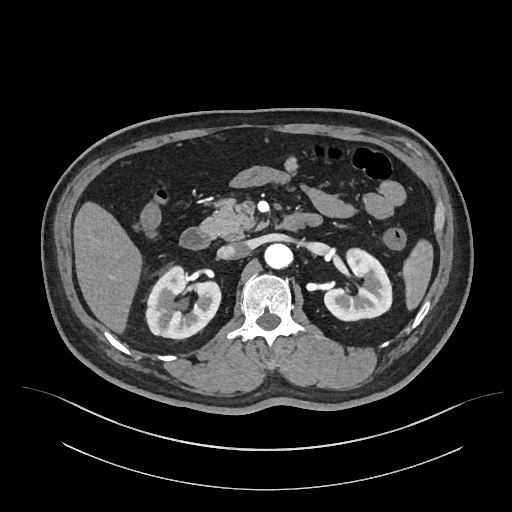

Computed tomography, abdomen; axial view; soft-tissue window (W 400 / L 40)
Bounding boxes as [x1, y1, x2, y2] in pixel coordinates. The annotated organs in this slice are: inferior vena cava at [217, 242, 248, 259], spleen at [404, 242, 433, 308], left kidney at [323, 250, 391, 320], liver at [73, 202, 143, 335], aorta at [264, 244, 291, 269], pancreas at [200, 196, 262, 241], duodenum at [180, 213, 321, 249], right kidney at [147, 268, 220, 339].